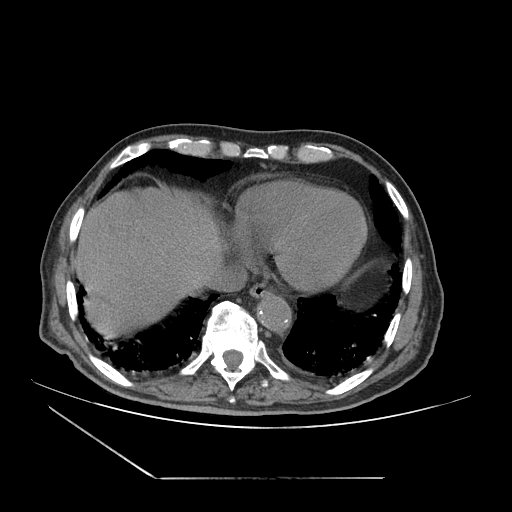 Abdominal CT. axial view. acquired on SOMATOM Force
Organ boxes in pixel coordinates; each row gives the top-left (x1, y1) and bottom-right (x2, y2) corners.
| organ | x1 | y1 | x2 | y2 |
|---|---|---|---|---|
| aorta | 259 | 296 | 292 | 333 |
| inferior vena cava | 205 | 262 | 248 | 291 |
| esophagus | 249 | 286 | 270 | 299 |
| liver | 76 | 187 | 222 | 336 |